CT abdomen — axial plane, index 24 — soft-tissue window — 66-year-old male patient
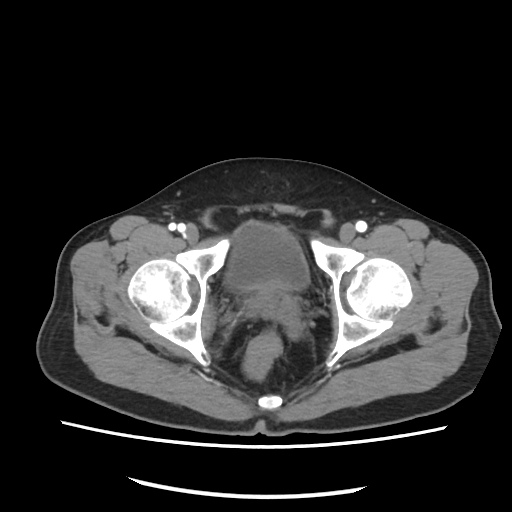
<organs><organ name="bladder" x1="225" y1="222" x2="307" y2="290"/></organs>